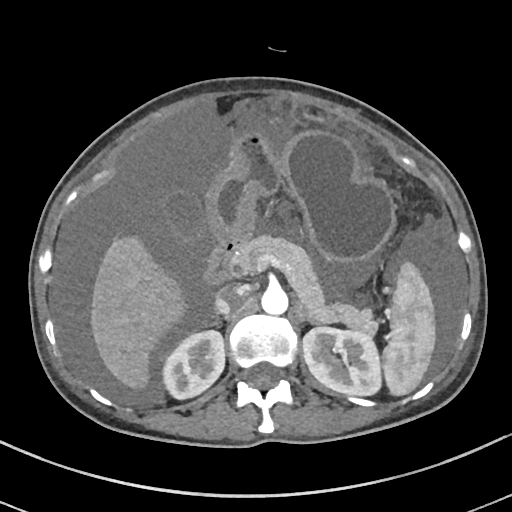
Computed tomography, abdomen. axial plane, index 160. abdomen soft-tissue window
Bounding boxes as [x1, y1, x2, y2] in pixel coordinates.
Organ bounding boxes:
- left adrenal gland: [297, 307, 316, 324]
- duodenum: [204, 237, 246, 285]
- right adrenal gland: [210, 318, 219, 325]
- pancreas: [232, 235, 377, 336]
- left kidney: [302, 327, 381, 395]
- gall bladder: [164, 195, 201, 240]
- stomach: [205, 130, 395, 262]
- inferior vena cava: [215, 287, 244, 314]
- spleen: [382, 262, 435, 395]
- right kidney: [162, 330, 224, 399]
- aorta: [261, 287, 288, 315]
- liver: [90, 236, 186, 389]